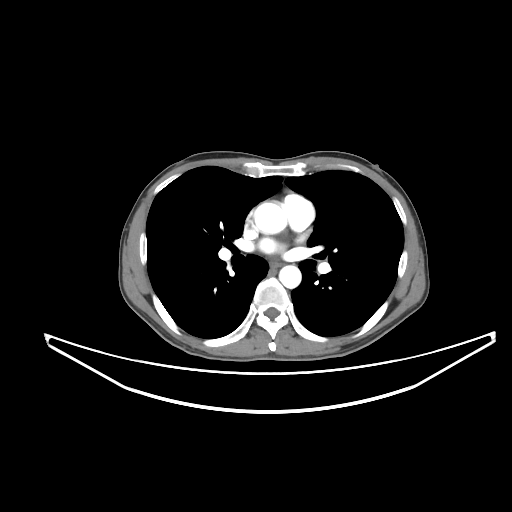 Chest-level slice from an abdominal CT that extends up into the chest — Axial slice 103/134 — soft-tissue window (W 400 / L 40) — 512x512 px
At this level of the chest this dataset labels only the esophagus and the aorta, and each is boxed only where it is labeled; the heart and lungs are never labeled. Bounding boxes as [x1, y1, x2, y2] in pixel coordinates. The annotated organs in this slice are: esophagus at [270, 261, 282, 266], aorta at [254, 202, 286, 234], aorta at [279, 265, 301, 288].